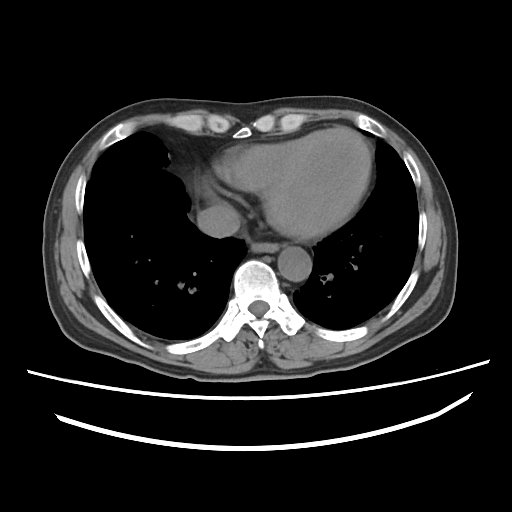

Lower-chest slice from an abdominal CT, just above the liver and spleen; axial view; soft-tissue window, W/L 400/40; 512x512 px
Of the structures in the chest, this dataset labels only the esophagus, the aorta and the inferior vena cava; the heart and lungs have no label.
<organs><organ name="esophagus" x1="250" y1="241" x2="279" y2="252"/><organ name="aorta" x1="278" y1="247" x2="311" y2="281"/><organ name="inferior vena cava" x1="197" y1="203" x2="240" y2="237"/></organs>